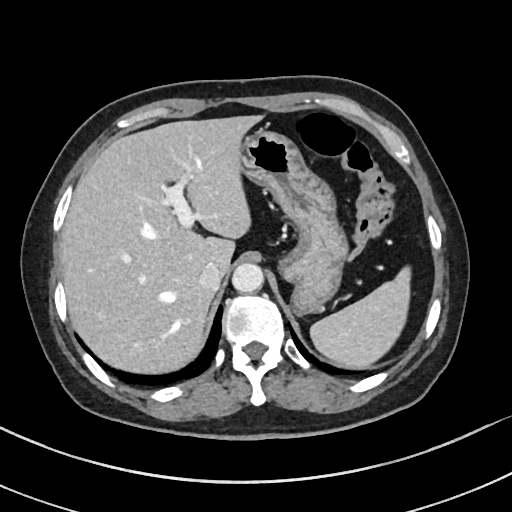 CT abdomen · axial plane, index 196 · 512x512 px
Organ boxes in pixel coordinates; each row gives the top-left (x1, y1) and bottom-right (x2, y2) corners.
| organ | x1 | y1 | x2 | y2 |
|---|---|---|---|---|
| spleen | 311 | 268 | 409 | 368 |
| aorta | 231 | 263 | 263 | 293 |
| stomach | 240 | 130 | 345 | 313 |
| liver | 60 | 115 | 261 | 375 |
| inferior vena cava | 198 | 262 | 223 | 292 |